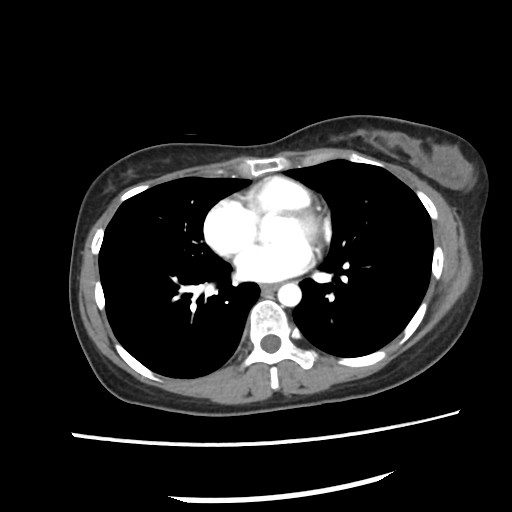

CT of the abdomen reaching into the lower chest, slice just above the liver and spleen. Axial slice 93/124. soft-tissue window, W/L 400/40. 34-year-old female patient. 15 organs annotated in this scan (counted over the whole 3D scan, not this slice; an organ is boxed only where this slice passes through it)
Of the structures in the chest, this dataset labels only the esophagus, the aorta and the inferior vena cava; the heart and lungs have no label.
Bounding boxes in pixels, one row per box: x1, y1 is the top-left corner and x2, y2 the bottom-right.
| organ | x1 | y1 | x2 | y2 |
|---|---|---|---|---|
| esophagus | 263 | 283 | 280 | 291 |
| aorta | 277 | 282 | 300 | 306 |